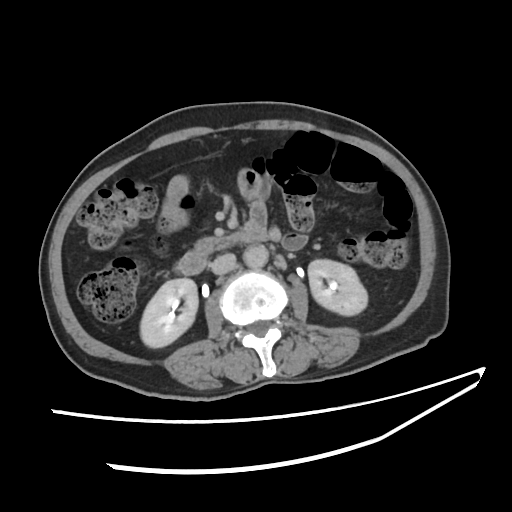
Abdominal CT — axial view — 512x512 px — 83-year-old male patient
One row per box, in pixels: columns x1 and y1 give the top-left corner, x2 and y2 the bottom-right.
| organ | x1 | y1 | x2 | y2 |
|---|---|---|---|---|
| aorta | 245 | 246 | 267 | 266 |
| inferior vena cava | 211 | 254 | 234 | 274 |
| duodenum | 175 | 224 | 266 | 274 |
| left kidney | 308 | 259 | 367 | 314 |
| right kidney | 141 | 278 | 196 | 346 |